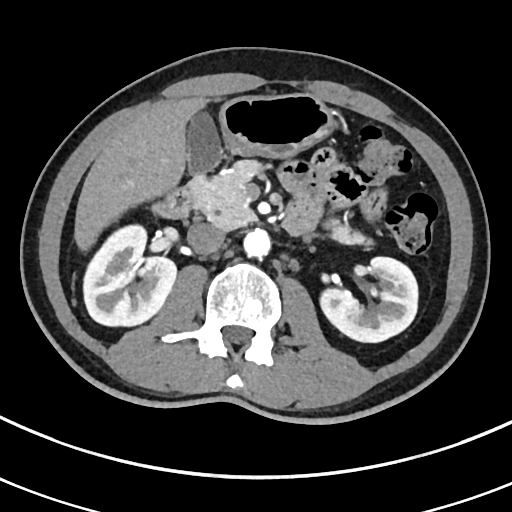 Abdominal CT. axial view. soft-tissue window. 512x512 px
{"organs":{"stomach":[219,94,336,159],"inferior vena cava":[187,222,224,254],"right kidney":[84,227,177,327],"aorta":[243,229,270,257],"left kidney":[318,257,417,342],"liver":[74,96,221,250],"gall bladder":[187,113,221,174],"pancreas":[193,159,375,246],"duodenum":[159,174,205,219]}}